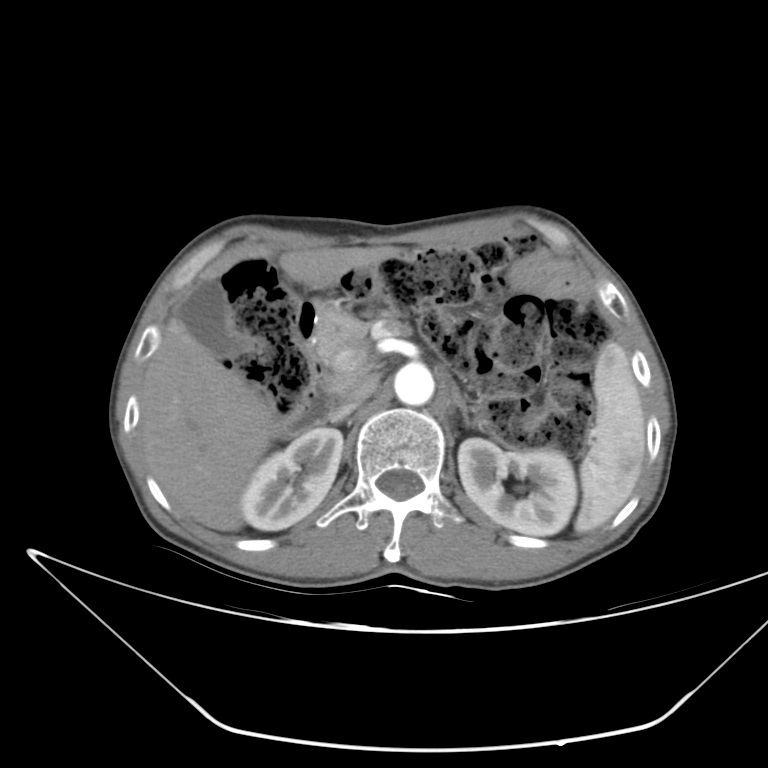
Computed tomography, abdomen; axial view; 62-year-old male patient
Boxes: x1 y1 x2 y2 (pixel coords, space-separated). The annotated organs in this slice are: spleen at 574 342 645 533, right kidney at 241 427 343 530, left kidney at 458 438 576 535, gall bladder at 176 280 234 357, liver at 140 242 401 531, aorta at 394 363 434 405, inferior vena cava at 327 373 378 421, pancreas at 315 305 369 369, left adrenal gland at 452 384 472 426, duodenum at 277 301 333 436.